Computed tomography, abdomen; axial plane, index 165
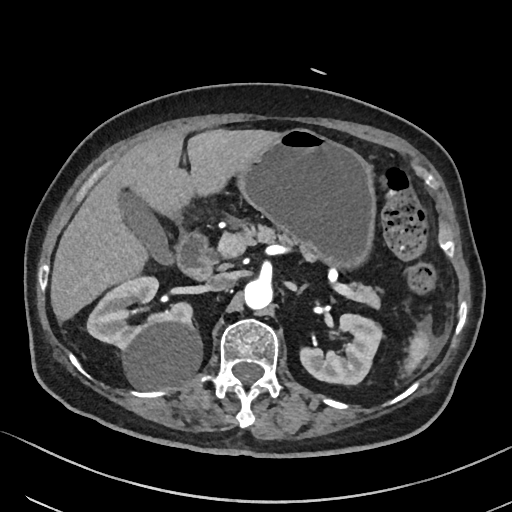

Bounding boxes as [x1, y1, x2, y2] in pixel coordinates. 11 labeled organs on this slice — liver at [50, 129, 279, 321]; duodenum at [176, 231, 211, 278]; right kidney at [87, 277, 201, 388]; inferior vena cava at [207, 272, 236, 291]; gall bladder at [120, 189, 171, 263]; left kidney at [300, 313, 382, 384]; aorta at [244, 279, 272, 309]; pancreas at [236, 223, 377, 305]; left adrenal gland at [295, 284, 307, 293]; stomach at [236, 128, 375, 269]; spleen at [404, 330, 430, 373].